CT, abdomen/pelvis · axial plane, index 156 · abdomen soft-tissue window · acquired on SOMATOM Force
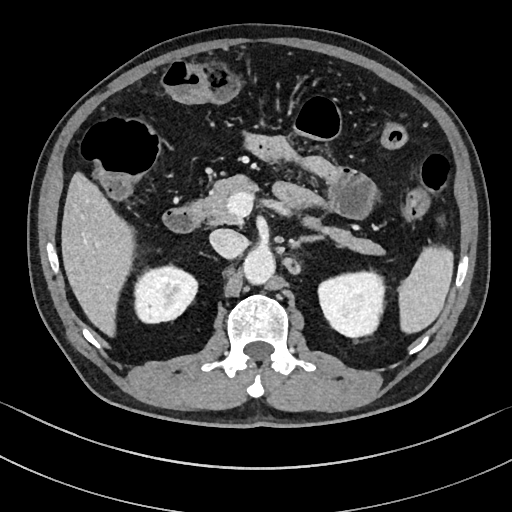

{"organs":{"spleen":[400,247,452,333],"right kidney":[134,266,198,323],"left kidney":[317,272,383,337],"liver":[61,173,132,337],"aorta":[243,248,274,282],"inferior vena cava":[209,229,247,258],"pancreas":[194,176,383,253],"left adrenal gland":[291,236,325,251],"duodenum":[162,204,203,232]}}